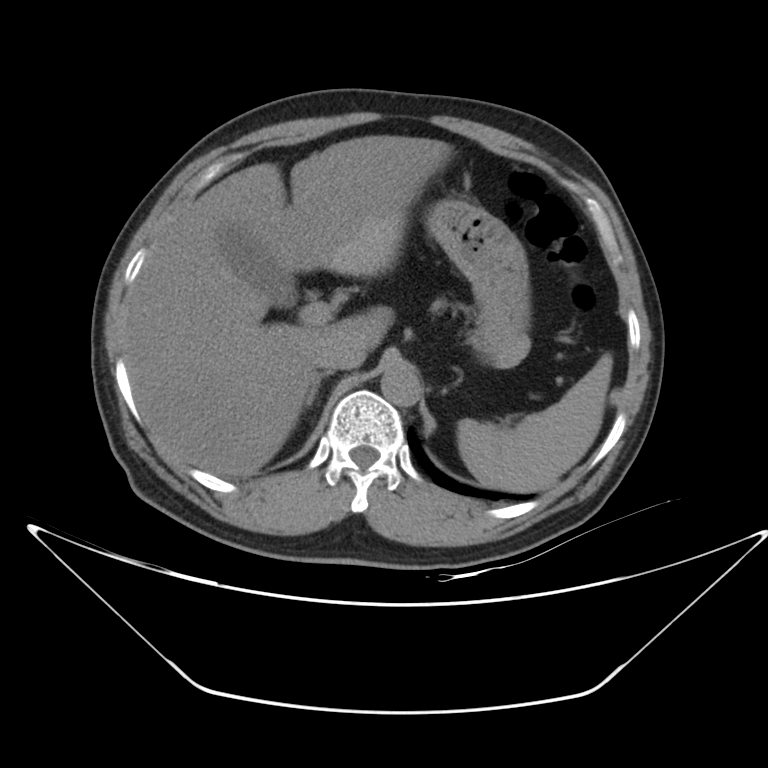 CT abdomen · axial view · W/L 400/40 HU · 768x768 px · 45-year-old male patient
{"organs":{"spleen":[458,353,613,492],"gall bladder":[224,228,295,305],"liver":[122,135,451,473],"stomach":[426,199,530,364],"aorta":[380,363,421,405],"inferior vena cava":[317,334,366,372],"right adrenal gland":[306,378,320,407]}}